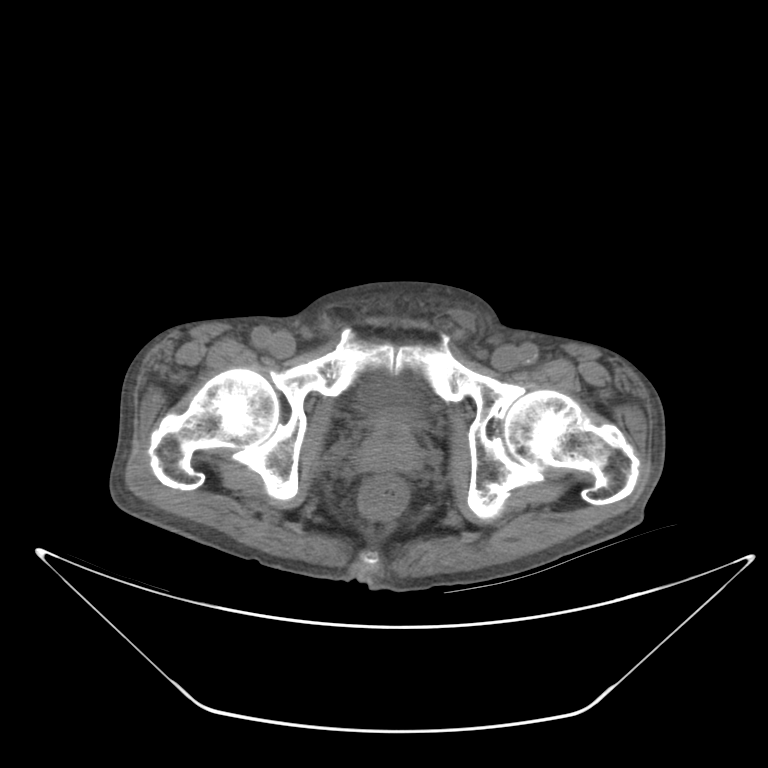

CT, abdomen/pelvis; axial view; abdomen soft-tissue window; 68-year-old male patient; acquired on Brilliance16; 13 organs annotated in this scan (a whole-scan count: organs this slice does not pass through have no box)
{"organs":{"bladder":[361,379,418,414],"prostate/uterus":[356,415,421,469]}}